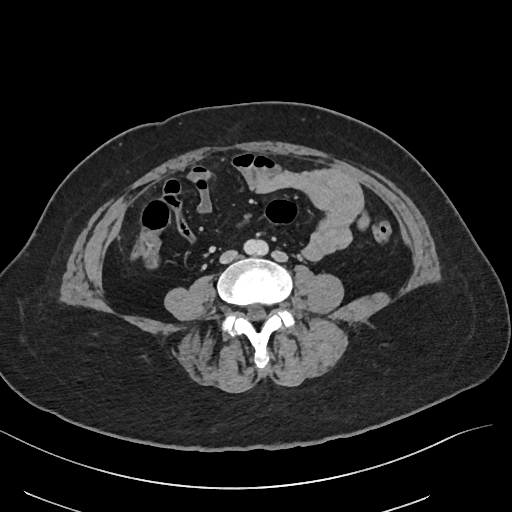 Computed tomography, abdomen; axial view; abdomen soft-tissue window; 512x512 px
<organs><organ name="aorta" x1="243" y1="240" x2="269" y2="255"/><organ name="inferior vena cava" x1="220" y1="250" x2="237" y2="263"/></organs>